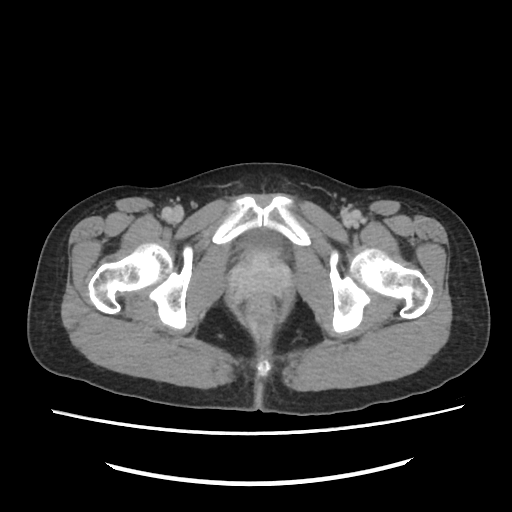
CT, abdomen/pelvis. axial view. abdomen soft-tissue window. 50-year-old female patient
Bounding boxes in pixels, one row per box: x1, y1 is the top-left corner and x2, y2 the bottom-right.
| organ | x1 | y1 | x2 | y2 |
|---|---|---|---|---|
| bladder | 240 | 227 | 284 | 261 |